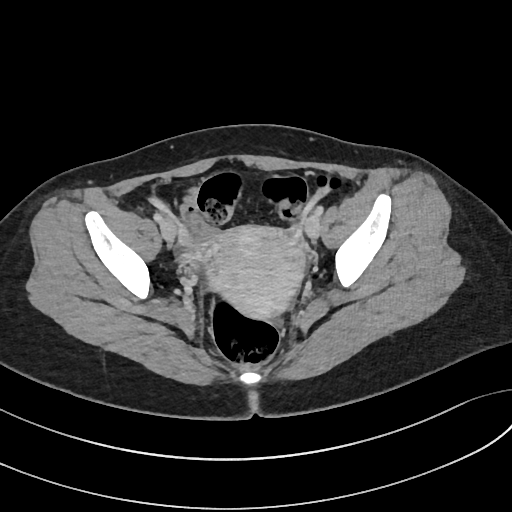 Abdominal CT — Axial slice 54/219 — W/L 400/40 HU
<organs><organ name="prostate/uterus" x1="207" y1="226" x2="304" y2="318"/></organs>